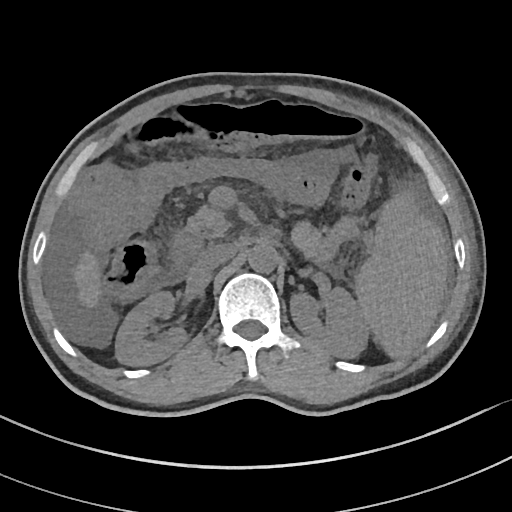 CT, abdomen/pelvis. axial view. 512x512 px
Each box given as x1,y1,x2,y2.
Organ bounding boxes:
- spleen: x1=356, y1=189, x2=447, y2=357
- right kidney: x1=115, y1=291, x2=187, y2=366
- left kidney: x1=290, y1=285, x2=370, y2=358
- liver: x1=75, y1=254, x2=100, y2=305
- aorta: x1=248, y1=243, x2=277, y2=272
- inferior vena cava: x1=196, y1=244, x2=236, y2=271
- pancreas: x1=181, y1=206, x2=331, y2=257
- duodenum: x1=170, y1=231, x2=202, y2=268